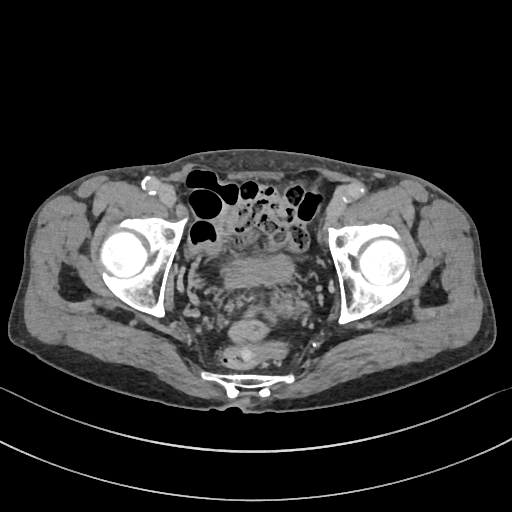 CT, abdomen/pelvis — axial plane, index 42 — soft-tissue window (W 400 / L 40) — 512x512 px — 15 organs annotated in this scan (that count is for the whole scan; organs this slice misses have no box)
Organ boxes in pixel coordinates; each row gives the top-left (x1, y1) and bottom-right (x2, y2) corners.
| organ | x1 | y1 | x2 | y2 |
|---|---|---|---|---|
| bladder | 225 | 254 | 295 | 288 |